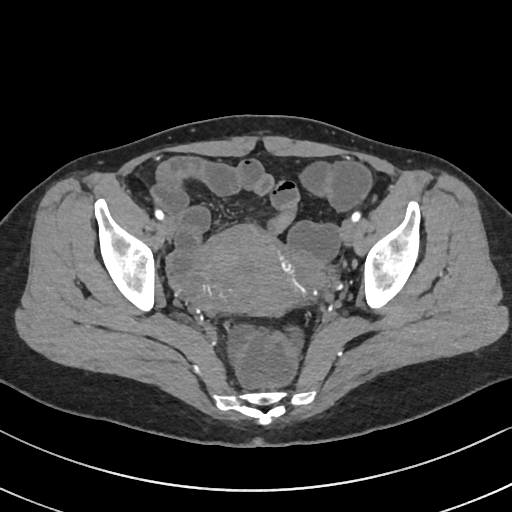

Abdominal CT · axial view · 512x512 px · acquired on SOMATOM Force · 15 organs annotated in this scan (counted over the whole 3D scan, not this slice; an organ is boxed only where this slice passes through it)
Boxes: x1 y1 x2 y2 (pixel coords, space-separated).
Organ bounding boxes:
- prostate/uterus: 196 223 293 314